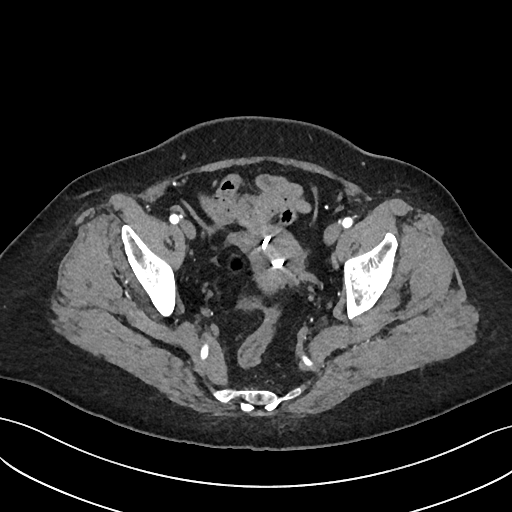 CT abdomen · axial view · 15 organs annotated in this scan (that count is for the whole scan; organs this slice misses have no box)
Boxes: x1:y1:x2:y2 in pixels.
prostate/uterus: 243:225:302:293